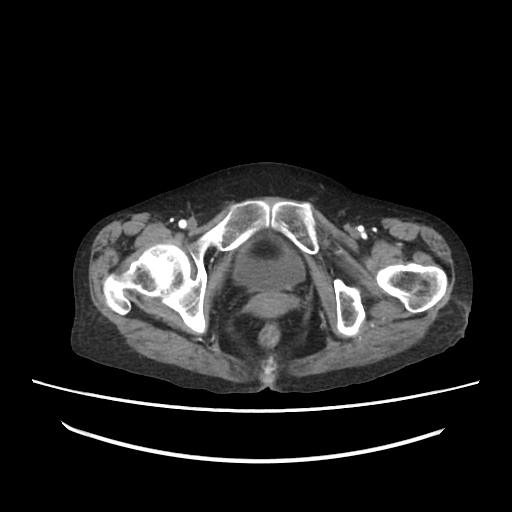

CT abdomen · axial view · abdomen soft-tissue window · acquired on Aquilion ONE
<organs><organ name="bladder" x1="234" y1="241" x2="306" y2="287"/><organ name="prostate/uterus" x1="246" y1="294" x2="296" y2="316"/></organs>